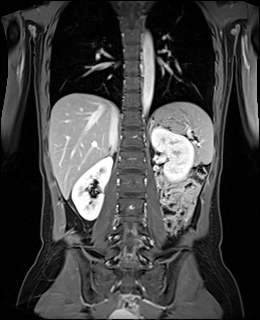
Abdominal MR — coronal plane, index 65 — 1st–99th percentile window
<organs><organ name="spleen" x1="158" y1="102" x2="213" y2="164"/><organ name="right kidney" x1="71" y1="156" x2="112" y2="220"/><organ name="left kidney" x1="151" y1="126" x2="194" y2="182"/><organ name="liver" x1="49" y1="92" x2="113" y2="199"/><organ name="stomach" x1="150" y1="110" x2="184" y2="125"/><organ name="aorta" x1="142" y1="33" x2="154" y2="114"/><organ name="inferior vena cava" x1="109" y1="105" x2="118" y2="150"/><organ name="left adrenal gland" x1="150" y1="124" x2="152" y2="131"/></organs>